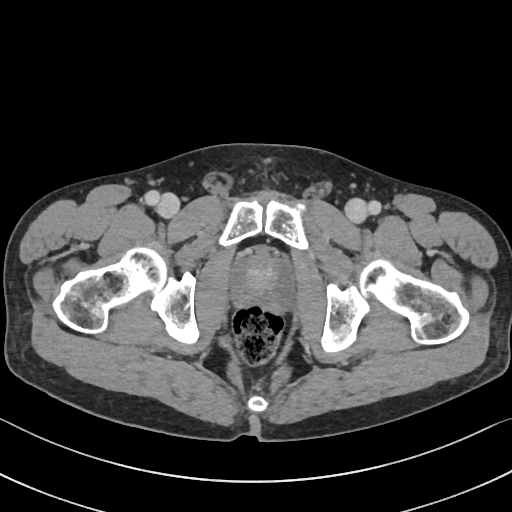
Abdominal CT; axial view
Each box given as x1,y1,x2,y2.
prostate/uterus: x1=233, y1=253, x2=291, y2=309